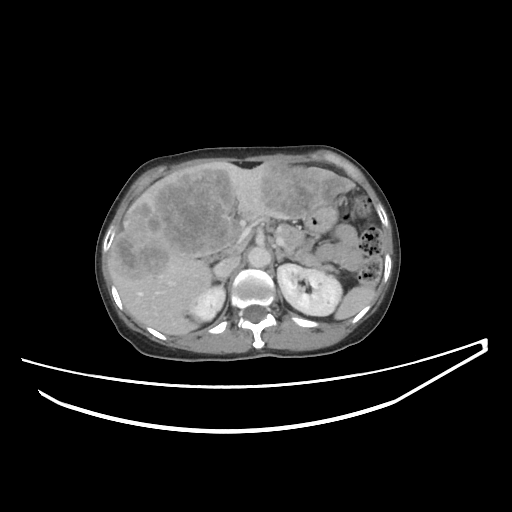 Abdominal CT · axial view · soft-tissue window
{"organs":{"left adrenal gland":[275,248,293,262],"left kidney":[277,264,342,316],"right adrenal gland":[214,277,226,284],"pancreas":[276,224,337,272],"spleen":[334,286,375,319],"aorta":[247,246,270,267],"liver":[108,161,352,335],"inferior vena cava":[213,254,240,277],"right kidney":[189,286,225,321],"stomach":[302,202,337,233]}}